Abdominal CT; this slice is in the lower chest, just above the liver — axial plane, index 94 — soft-tissue window, W/L 400/40 — Brilliance16 scanner
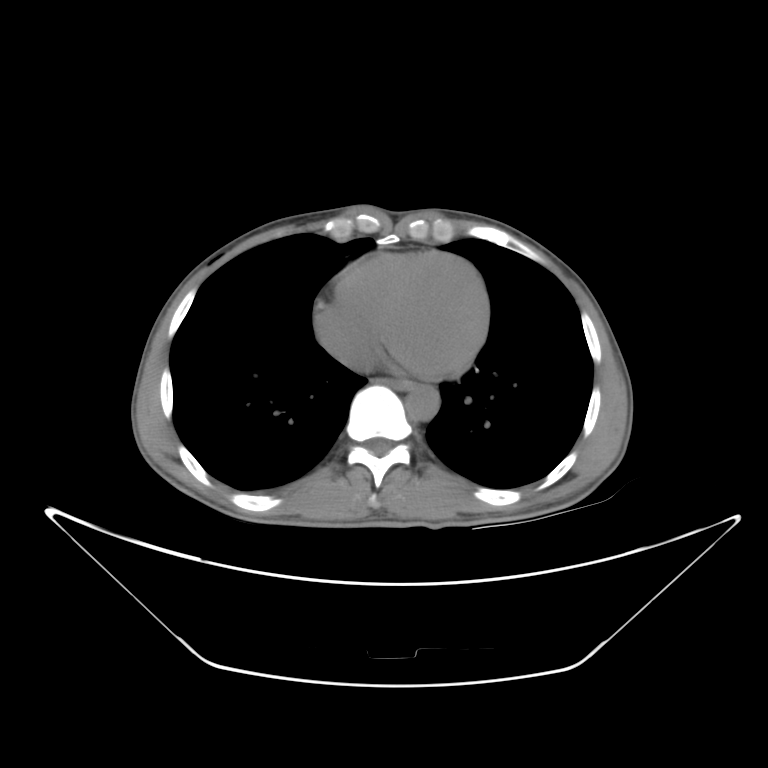

Of the structures in the chest, this dataset labels only the esophagus, the aorta and the inferior vena cava; the heart and lungs have no label.
Bounding boxes as [x1, y1, x2, y2] in pixel coordinates.
Organ bounding boxes:
- esophagus: [379, 378, 417, 391]
- aorta: [408, 385, 437, 420]